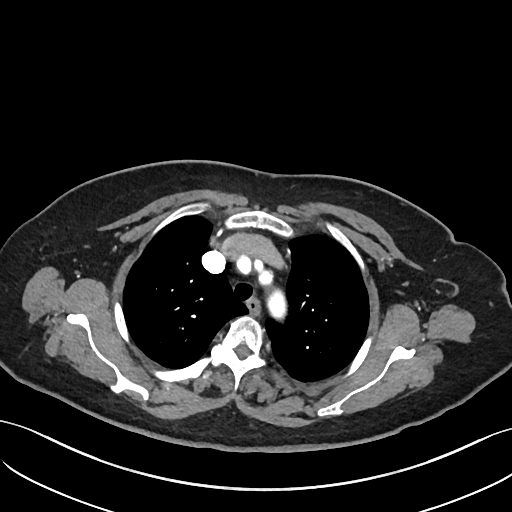

Abdominal CT reaching into the chest; this slice is in the chest; axial view; W/L 400/40 HU; scan has 15 labeled organs (a whole-scan count: organs this slice does not pass through have no box)
At this level of the chest this dataset labels only the esophagus and the aorta, and each is boxed only where it is labeled; the heart and lungs are never labeled. Boxes are (x1, y1, x2, y2) in pixels. Labeled organs on this slice: esophagus at (247, 299, 259, 313).